CT abdomen; axial view; acquired on Aquilion ONE
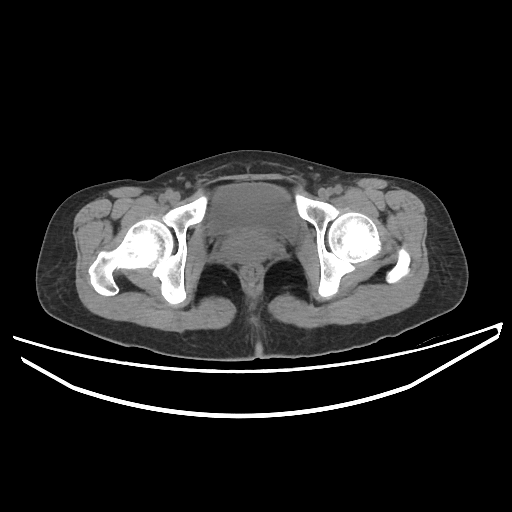 Organ boxes in pixel coordinates; each row gives the top-left (x1, y1) and bottom-right (x2, y2) corners.
| organ | x1 | y1 | x2 | y2 |
|---|---|---|---|---|
| bladder | 208 | 183 | 299 | 238 |